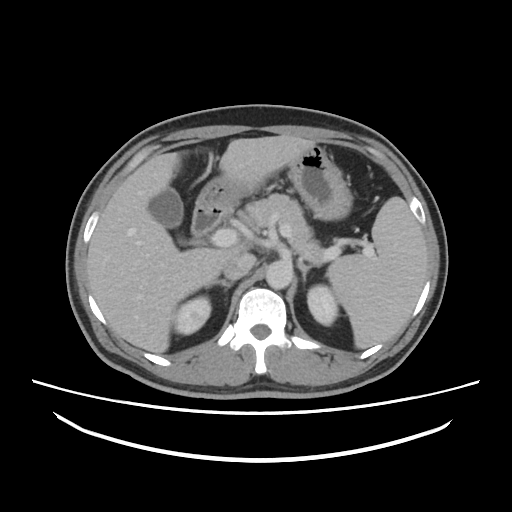
Computed tomography, abdomen · axial view · soft-tissue window · 31-year-old male patient
Bounding boxes as [x1, y1, x2, y2] in pixel coordinates.
Organ bounding boxes:
- spleen: [326, 197, 427, 348]
- right kidney: [174, 296, 211, 334]
- left kidney: [307, 285, 338, 325]
- gall bladder: [148, 188, 185, 243]
- liver: [87, 135, 360, 353]
- stomach: [196, 145, 352, 220]
- aorta: [265, 260, 292, 289]
- inferior vena cava: [223, 252, 255, 280]
- pancreas: [244, 194, 326, 264]
- right adrenal gland: [206, 280, 233, 291]
- left adrenal gland: [297, 260, 321, 282]
- duodenum: [191, 208, 227, 237]